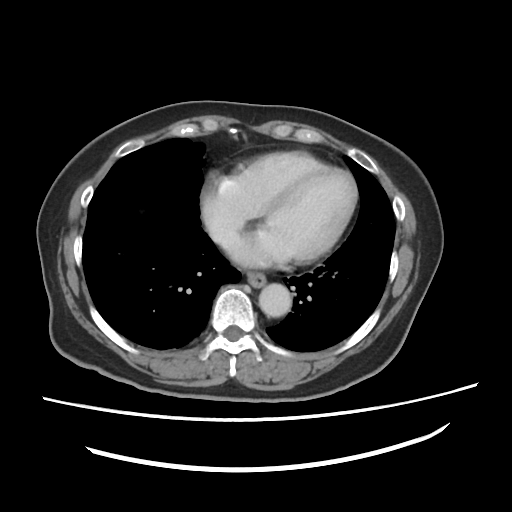
Lower-chest slice from an abdominal CT, just above the liver and spleen · axial plane, index 89 · soft-tissue window, W/L 400/40 · 512x512 px · acquired on Aquilion ONE · scan has 14 labeled organs (a whole-scan count: organs this slice does not pass through have no box)
No part of the heart or lungs is labeled in this dataset, so neither has a box here.
One row per box, in pixels: columns x1 and y1 give the top-left corner, x2 and y2 the bottom-right.
| organ | x1 | y1 | x2 | y2 |
|---|---|---|---|---|
| esophagus | 247 | 273 | 265 | 287 |
| aorta | 258 | 282 | 292 | 316 |
| inferior vena cava | 212 | 232 | 225 | 243 |